MRI, abdomen — axial view — 1st–99th percentile window — 576x468 px — scan has 13 labeled organs (counted over the whole 3D scan, not this slice; an organ is boxed only where this slice passes through it)
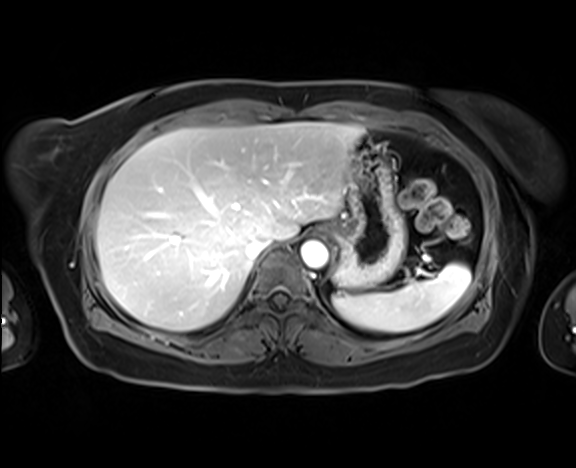 <organs><organ name="spleen" x1="333" y1="263" x2="470" y2="331"/><organ name="liver" x1="96" y1="122" x2="363" y2="331"/><organ name="stomach" x1="325" y1="137" x2="406" y2="288"/><organ name="aorta" x1="301" y1="241" x2="327" y2="268"/><organ name="inferior vena cava" x1="246" y1="237" x2="273" y2="260"/></organs>